Abdominal CT; this slice is in the lower chest, just above the liver — axial plane, index 215
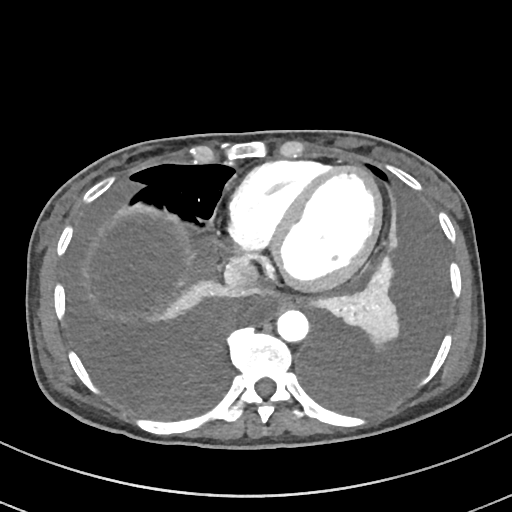

The heart and lungs are never labeled in this dataset, so they have no box on this slice. Coordinates as <box>x1,y1,x2,y2</box> in pixels. 3 labeled organs on this slice — esophagus at <box>270,292,294,310</box>; aorta at <box>277,309,309,341</box>; inferior vena cava at <box>224,257,258,288</box>.